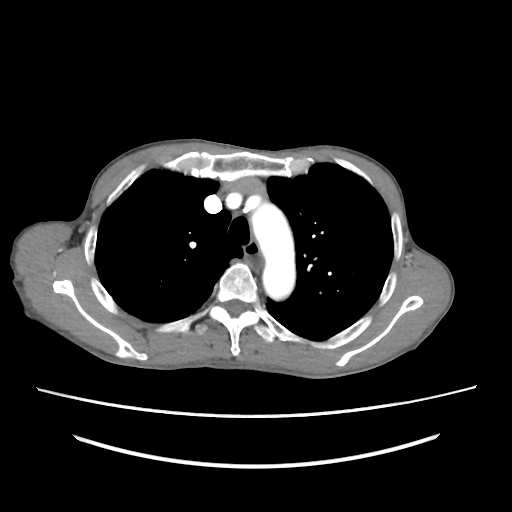
Abdominal CT reaching into the chest; this slice is in the chest. axial view. soft-tissue window (W 400 / L 40). 62-year-old male patient
At this level of the chest this dataset labels only the esophagus and the aorta, and each is boxed only where it is labeled; the heart and lungs are never labeled.
Organ boxes in pixel coordinates; each row gives the top-left (x1, y1) and bottom-right (x2, y2) corners.
| organ | x1 | y1 | x2 | y2 |
|---|---|---|---|---|
| esophagus | 247 | 241 | 262 | 268 |
| aorta | 251 | 202 | 295 | 299 |